Abdominal CT; Axial slice 71/78; soft-tissue window (W 400 / L 40); 512x512 px; 47-year-old female patient; scan has 15 labeled organs (a whole-scan count: organs this slice does not pass through have no box)
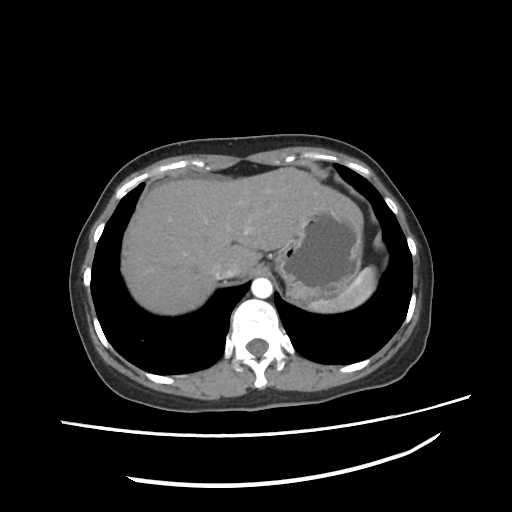

{"organs":{"spleen":[306,267,374,314],"liver":[120,167,363,316],"stomach":[276,206,363,306],"aorta":[251,278,271,297],"inferior vena cava":[212,259,238,279]}}